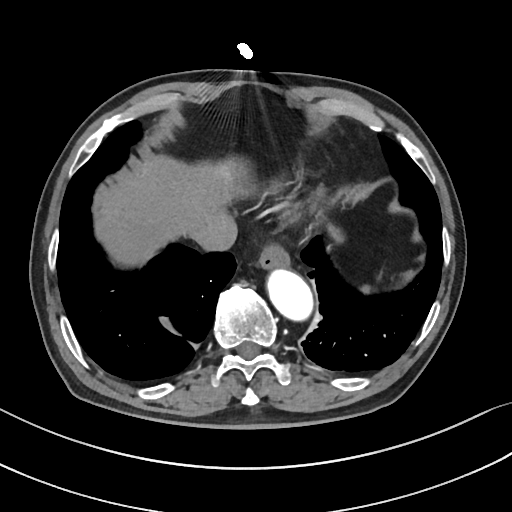
CT, abdomen/pelvis; axial view; soft-tissue window
{"organs":{"liver":[94,156,248,266],"aorta":[267,270,312,320],"spleen":[363,285,371,295],"stomach":[334,233,340,239],"esophagus":[258,244,289,271],"inferior vena cava":[190,219,237,250]}}